Computed tomography, abdomen; axial plane, index 55; soft-tissue window (W 400 / L 40)
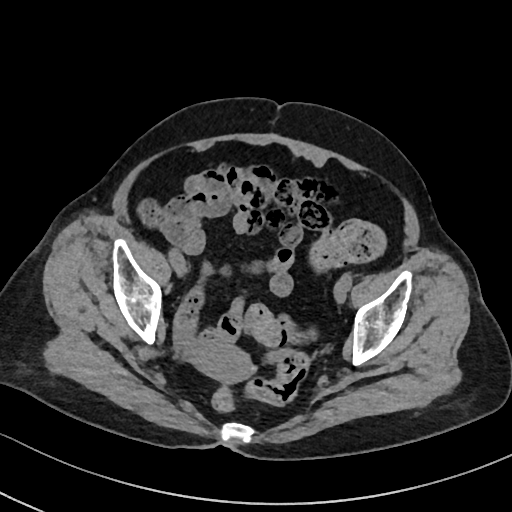
Each box given as x1,y1,x2,y2. The annotated organs in this slice are: prostate/uterus at x1=195, y1=342, x2=252, y2=383.